CT abdomen · axial view · scan has 15 labeled organs (counted over the whole 3D scan, not this slice; an organ is boxed only where this slice passes through it)
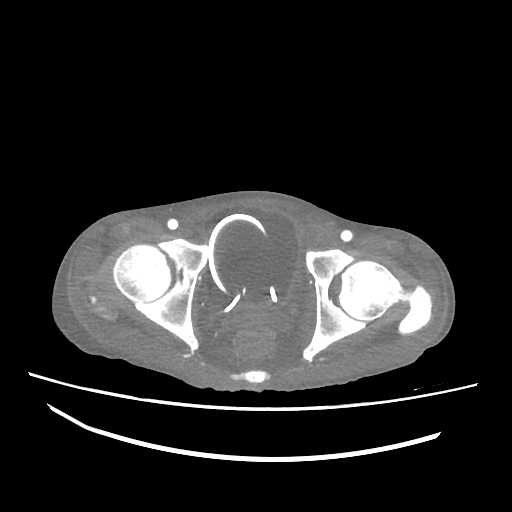
Box edges are left/top/right/bottom in pixels.
Organ bounding boxes:
- bladder: left=202, top=208, right=300, bottom=310